CT, abdomen/pelvis · Axial slice 102/218
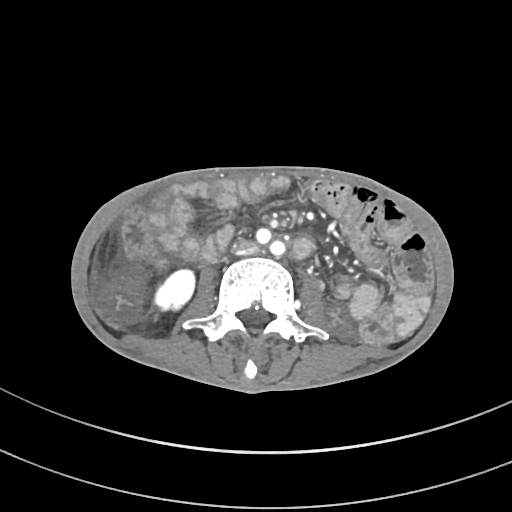

Bounding boxes as [x1, y1, x2, y2] in pixel coordinates. 2 labeled organs on this slice — right kidney at [155, 269, 194, 309]; inferior vena cava at [231, 238, 257, 254].